CT, abdomen/pelvis · axial plane, index 18 · 512x512 px · 47-year-old male patient
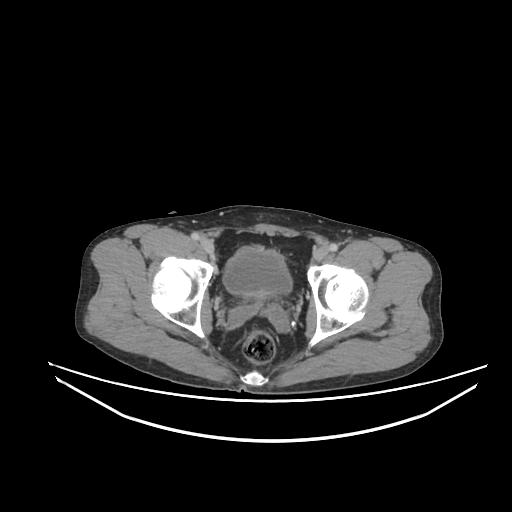

Boxes: x1:y1:x2:y2 in pixels. The annotated organs in this slice are: bladder at 223:248:292:295.